CT abdomen; axial view; 768x768 px; acquired on Brilliance16
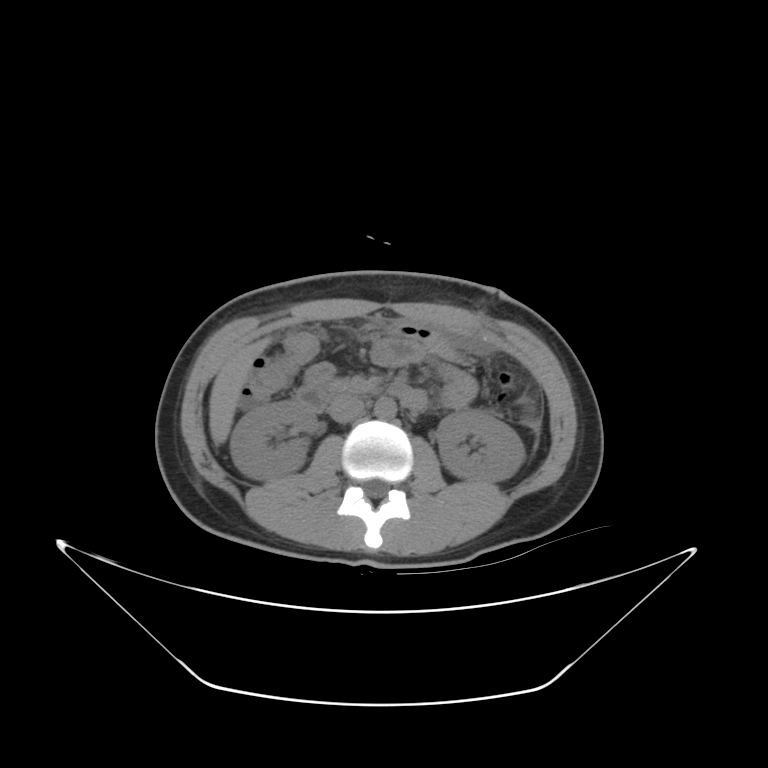

<organs><organ name="right kidney" x1="229" y1="401" x2="318" y2="478"/><organ name="left kidney" x1="437" y1="409" x2="525" y2="481"/><organ name="liver" x1="209" y1="336" x2="273" y2="445"/><organ name="stomach" x1="382" y1="323" x2="455" y2="357"/><organ name="aorta" x1="374" y1="398" x2="395" y2="419"/><organ name="inferior vena cava" x1="329" y1="398" x2="363" y2="423"/><organ name="pancreas" x1="324" y1="380" x2="349" y2="392"/><organ name="duodenum" x1="295" y1="385" x2="426" y2="412"/></organs>